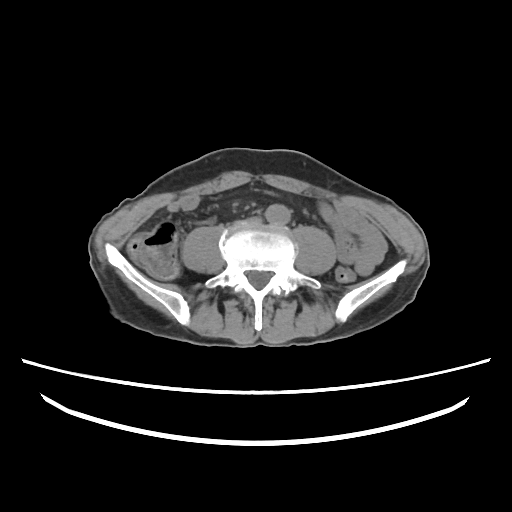
Abdominal CT · axial view · soft-tissue window (W 400 / L 40) · 512x512 px · 54-year-old male patient · Aquilion ONE scanner
One row per box, in pixels: columns x1 and y1 give the top-left corner, x2 and y2 the bottom-right.
| organ | x1 | y1 | x2 | y2 |
|---|---|---|---|---|
| aorta | 265 | 204 | 289 | 224 |